CT abdomen. axial view
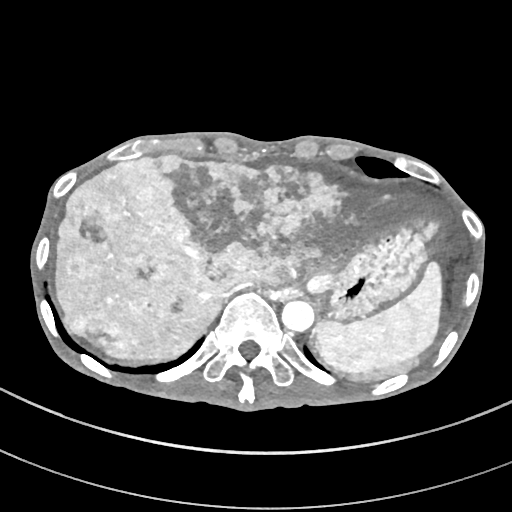
Box edges are left/top/right/bottom in pixels.
spleen: left=313, top=261, right=444, bottom=375
liver: left=53, top=154, right=444, bottom=382
stomach: left=303, top=220, right=438, bottom=318
aorta: left=281, top=299, right=314, bottom=331
inferior vena cava: left=222, top=281, right=254, bottom=298